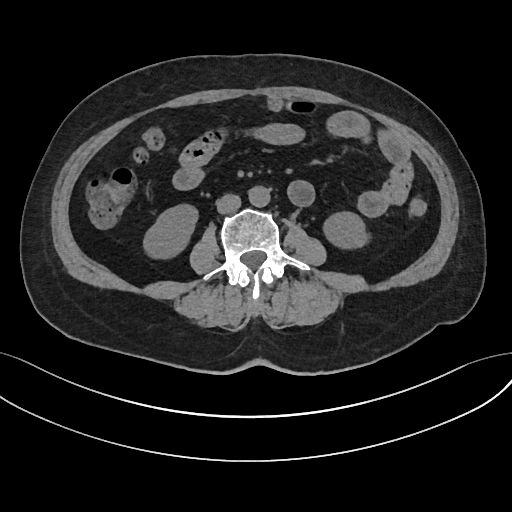

CT, abdomen/pelvis · axial plane, index 103 · 15 organs annotated in this scan (counted over the whole 3D scan, not this slice; an organ is boxed only where this slice passes through it)
Box edges are left/top/right/bottom in pixels. Labeled organs on this slice: aorta at left=248, top=186, right=270, bottom=206, right kidney at left=143, top=204, right=197, bottom=258, left kidney at left=323, top=212, right=369, bottom=248, inferior vena cava at left=216, top=194, right=241, bottom=213.